CT abdomen; axial view
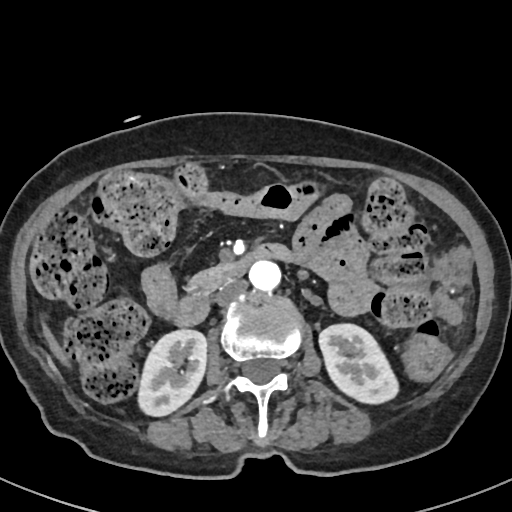
Bounding boxes in pixels, one row per box: x1, y1 is the top-left corner and x2, y2 the bottom-right.
| organ | x1 | y1 | x2 | y2 |
|---|---|---|---|---|
| aorta | 249 | 261 | 280 | 291 |
| inferior vena cava | 215 | 279 | 247 | 305 |
| right kidney | 137 | 329 | 207 | 416 |
| pancreas | 188 | 264 | 228 | 292 |
| left kidney | 319 | 324 | 398 | 403 |
| liver | 43 | 325 | 63 | 359 |
| duodenum | 172 | 244 | 293 | 326 |